Abdominal CT · axial view · soft-tissue window (W 400 / L 40) · 52-year-old female patient · scan has 14 labeled organs (that count is for the whole scan; organs this slice misses have no box)
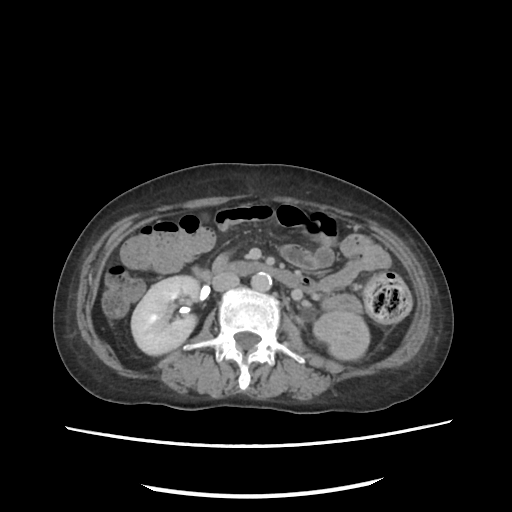 <organs><organ name="aorta" x1="251" y1="273" x2="271" y2="291"/><organ name="right kidney" x1="131" y1="276" x2="198" y2="355"/><organ name="left kidney" x1="313" y1="311" x2="369" y2="359"/><organ name="duodenum" x1="222" y1="261" x2="314" y2="290"/><organ name="inferior vena cava" x1="212" y1="272" x2="239" y2="291"/></organs>